CT abdomen — Axial slice 160/245 — abdomen soft-tissue window — 512x512 px — scan has 15 labeled organs (counted over the whole 3D scan, not this slice; an organ is boxed only where this slice passes through it)
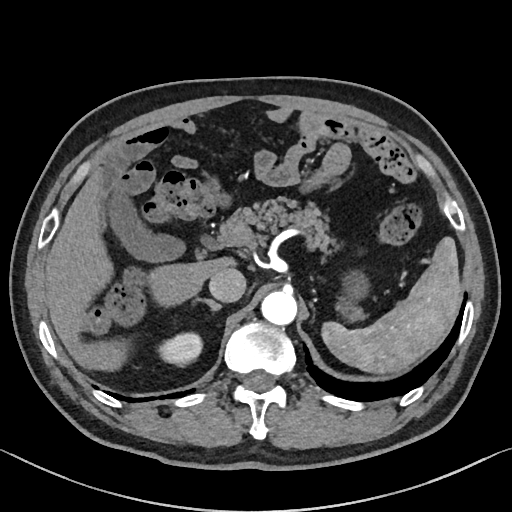
Each box given as x1,y1,x2,y2.
Organ bounding boxes:
- stomach: x1=339, y1=271, x2=368, y2=320
- inferior vena cava: x1=209, y1=267, x2=246, y2=301
- gall bladder: x1=107, y1=195, x2=181, y2=260
- liver: x1=45, y1=172, x2=229, y2=369
- pancreas: x1=210, y1=200, x2=329, y2=254
- aorta: x1=261, y1=291, x2=297, y2=325
- right kidney: x1=159, y1=332, x2=203, y2=364
- spleen: x1=323, y1=238, x2=460, y2=374
- right adrenal gland: x1=192, y1=297, x2=220, y2=309